Computed tomography, abdomen; axial plane, index 119; SOMATOM Force scanner
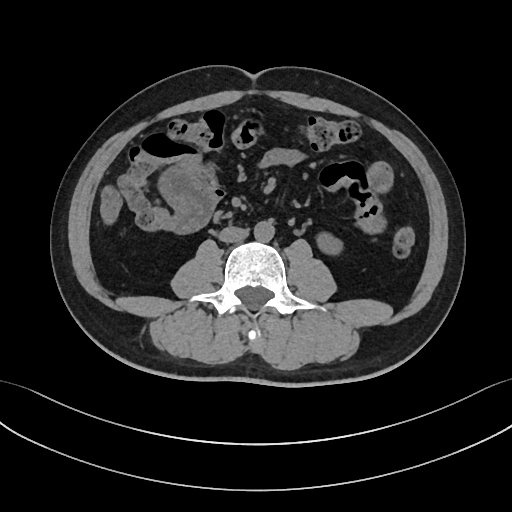

<organs><organ name="left kidney" x1="317" y1="233" x2="342" y2="254"/><organ name="aorta" x1="253" y1="221" x2="274" y2="241"/><organ name="inferior vena cava" x1="219" y1="226" x2="248" y2="242"/></organs>